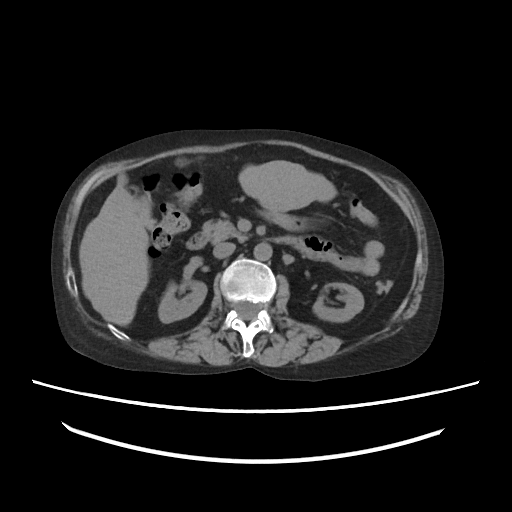
Abdominal CT — axial plane, index 56 — soft-tissue window — 512x512 px
Box edges are left/top/right/bottom in pixels.
right kidney: left=158, top=281, right=206, bottom=322
left kidney: left=313, top=283, right=363, bottom=321
liver: left=79, top=159, right=337, bottom=326
stomach: left=263, top=211, right=320, bottom=230
aorta: left=253, top=242, right=272, bottom=260
inferior vena cava: left=213, top=242, right=235, bottom=258
pancreas: left=201, top=219, right=246, bottom=242
duodenum: left=186, top=233, right=333, bottom=259